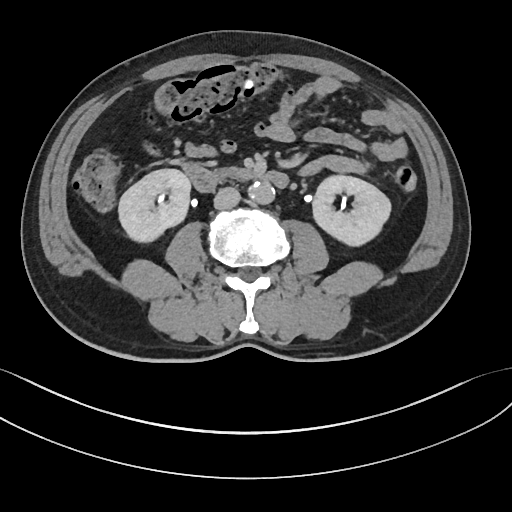
Abdominal CT — axial plane, index 128 — W/L 400/40 HU — 512x512 px — SOMATOM Force scanner — scan has 15 labeled organs (a whole-scan count: organs this slice does not pass through have no box)
One row per box, in pixels: columns x1 and y1 give the top-left corner, x2 and y2 the bottom-right.
| organ | x1 | y1 | x2 | y2 |
|---|---|---|---|---|
| right kidney | 118 | 169 | 190 | 242 |
| left kidney | 312 | 175 | 390 | 246 |
| aorta | 248 | 181 | 274 | 204 |
| inferior vena cava | 213 | 187 | 240 | 209 |
| duodenum | 182 | 163 | 288 | 192 |